Computed tomography, abdomen. axial view. scan has 15 labeled organs (counted over the whole 3D scan, not this slice; an organ is boxed only where this slice passes through it)
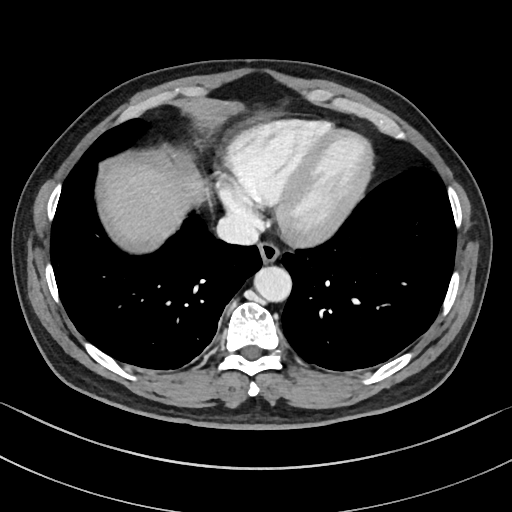
Coordinates as <box>x1,y1,x2,y2</box> in pixels.
Organ bounding boxes:
- esophagus: <box>258,239,280,262</box>
- liver: <box>105,163,207,244</box>
- aorta: <box>253,266,290,301</box>
- inferior vena cava: <box>216,214,258,244</box>